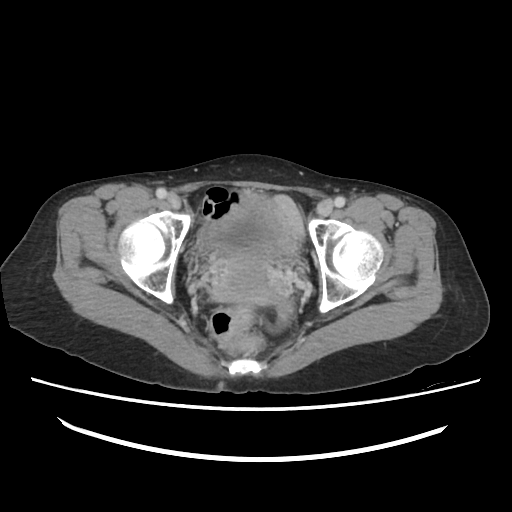
CT, abdomen/pelvis — axial view
Organ boxes in pixel coordinates; each row gives the top-left (x1, y1) and bottom-right (x2, y2) corners.
| organ | x1 | y1 | x2 | y2 |
|---|---|---|---|---|
| bladder | 208 | 195 | 294 | 257 |
| prostate/uterus | 224 | 254 | 273 | 298 |